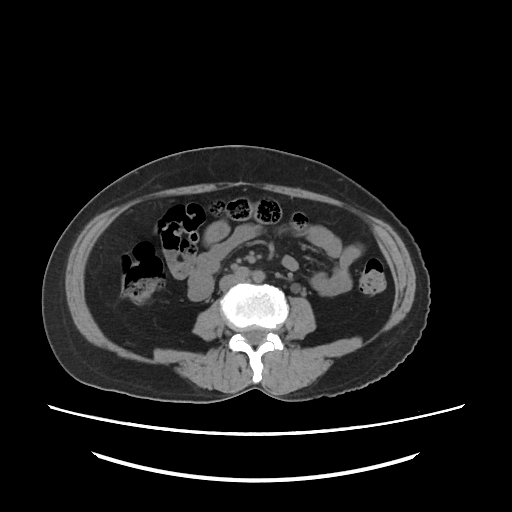
CT, abdomen/pelvis; Axial slice 49/85; soft-tissue window; 512x512 px
Boxes are (x1, y1, x2, y2) in pixels. Labeled organs on this slice: inferior vena cava at (219, 273, 242, 290).